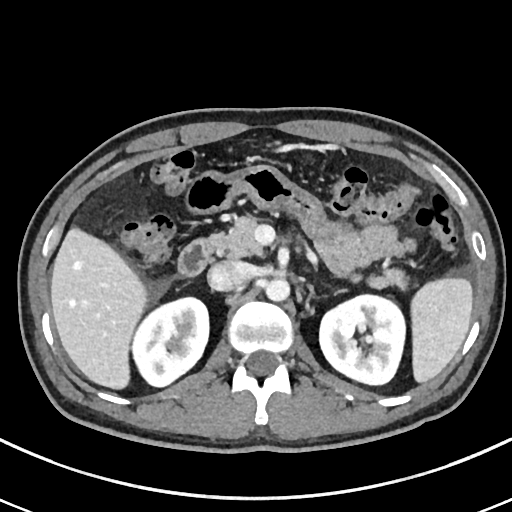 CT abdomen; axial view; soft-tissue window; SOMATOM Force scanner
<organs><organ name="spleen" x1="411" y1="277" x2="472" y2="382"/><organ name="left kidney" x1="319" y1="295" x2="405" y2="385"/><organ name="inferior vena cava" x1="207" y1="260" x2="251" y2="290"/><organ name="pancreas" x1="209" y1="216" x2="407" y2="288"/><organ name="aorta" x1="265" y1="278" x2="290" y2="301"/><organ name="right kidney" x1="132" y1="297" x2="209" y2="386"/><organ name="liver" x1="50" y1="227" x2="147" y2="389"/><organ name="duodenum" x1="177" y1="239" x2="213" y2="276"/></organs>